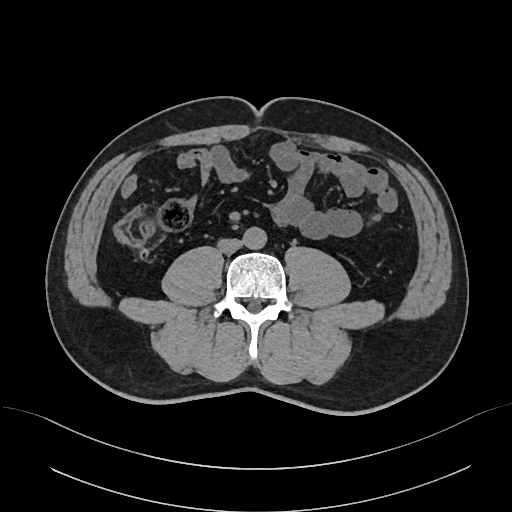 CT abdomen; axial plane, index 119; soft-tissue window (W 400 / L 40); 512x512 px; scan has 15 labeled organs (a whole-scan count: organs this slice does not pass through have no box)
Each box given as x1,y1,x2,y2. Labeled organs on this slice: aorta at x1=243, y1=227, x2=267, y2=249, inferior vena cava at x1=218, y1=239, x2=242, y2=253.